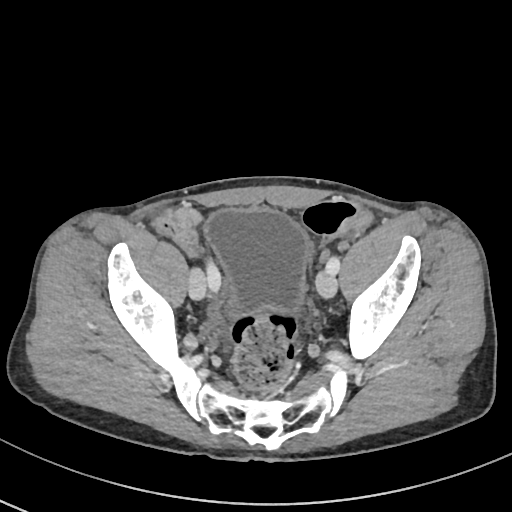

CT, abdomen/pelvis. axial plane, index 61. soft-tissue window (W 400 / L 40). 512x512 px. scan has 15 labeled organs (that count is for the whole scan; organs this slice misses have no box)
<organs><organ name="bladder" x1="205" y1="208" x2="309" y2="318"/></organs>